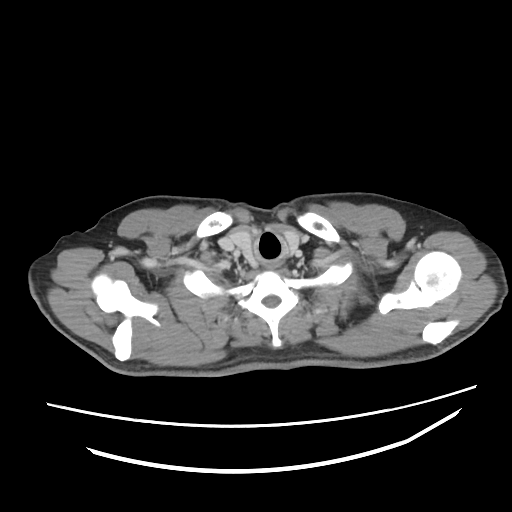
Chest-level slice from an abdominal CT that extends up into the chest; axial view; soft-tissue window (W 400 / L 40); 512x512 px; 49-year-old male patient; Aquilion ONE scanner
On a slice this high in the chest, this dataset labels only the esophagus and the aorta, and each is boxed only where it is labeled; the heart, lungs and other chest structures are not labeled.
<organs><organ name="esophagus" x1="265" y1="258" x2="281" y2="267"/></organs>